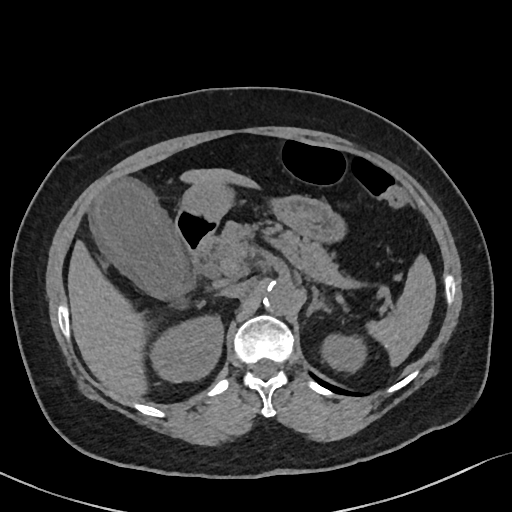
Computed tomography, abdomen; axial plane, index 143; 512x512 px
Coordinates as <box>x1,y1,x2,y2</box> in pixels.
right kidney: <box>150,315,223,382</box>
pancreas: <box>204,220,355,287</box>
stomach: <box>179,182,346,242</box>
inferior vena cava: <box>220,281,249,297</box>
left kidney: <box>321,333,367,372</box>
aorta: <box>263,279,295,315</box>
spleen: <box>366,254,435,365</box>
gall bladder: <box>88,182,186,296</box>
duodenum: <box>175,211,216,272</box>
liver: <box>67,168,257,397</box>
left adrenal gland: <box>306,286,329,315</box>